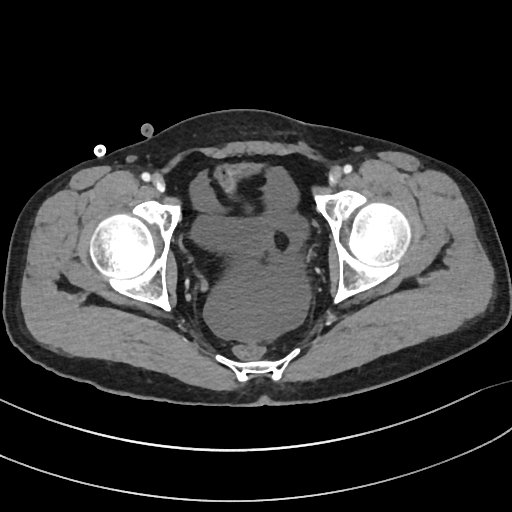
CT, abdomen/pelvis; Axial slice 29/251; 512x512 px
Bounding boxes as [x1, y1, x2, y2] in pixel coordinates. The annotated organs in this slice are: bladder at [214, 164, 260, 193].